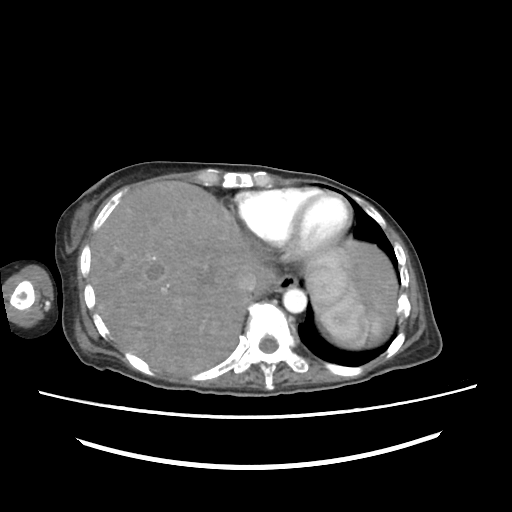

CT, abdomen/pelvis · axial view · W/L 400/40 HU · Aquilion ONE scanner · 15 organs annotated in this scan (a whole-scan count: organs this slice does not pass through have no box)
{"organs":{"inferior vena cava":[235,272,257,293],"liver":[91,181,398,374],"aorta":[283,288,306,313],"spleen":[304,248,383,348],"esophagus":[270,273,297,291]}}